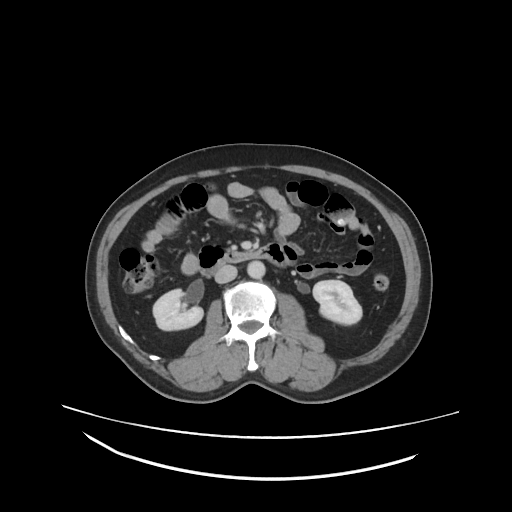
Abdominal CT. axial plane, index 50
Boxes: x1 y1 x2 y2 (pixel coords, space-separated).
Organ bounding boxes:
- right kidney: 154 289 203 331
- left kidney: 312 281 362 324
- aorta: 247 260 265 278
- inferior vena cava: 214 265 237 283
- duodenum: 199 243 288 276